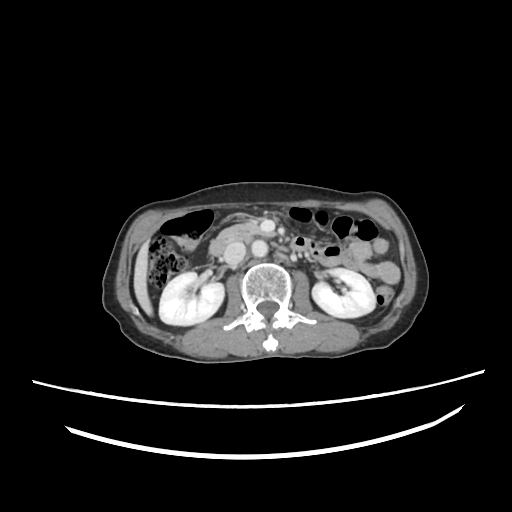

CT, abdomen/pelvis — Axial slice 54/78 — 68-year-old female patient
Organ boxes in pixel coordinates; each row gives the top-left (x1, y1) and bottom-right (x2, y2) corners.
| organ | x1 | y1 | x2 | y2 |
|---|---|---|---|---|
| aorta | 251 | 240 | 267 | 256 |
| liver | 134 | 244 | 152 | 316 |
| duodenum | 208 | 240 | 224 | 255 |
| inferior vena cava | 222 | 242 | 246 | 264 |
| pancreas | 219 | 221 | 276 | 242 |
| right kidney | 159 | 273 | 223 | 325 |
| left kidney | 312 | 267 | 374 | 318 |